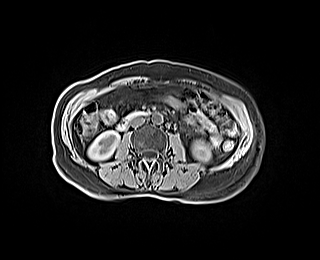

MRI, abdomen · axial view · 1st–99th percentile window · 320x260 px · Prisma scanner · scan has 13 labeled organs (counted over the whole 3D scan, not this slice; an organ is boxed only where this slice passes through it)
Each box given as x1,y1,x2,y2. The annotated organs in this slice are: right kidney at x1=88, y1=131, x2=119, y2=160, left kidney at x1=192, y1=140, x2=210, y2=161, aorta at x1=152, y1=113, x2=162, y2=124, inferior vena cava at x1=131, y1=116, x2=144, y2=126, duodenum at x1=116, y1=111, x2=148, y2=130.